CT abdomen — axial view
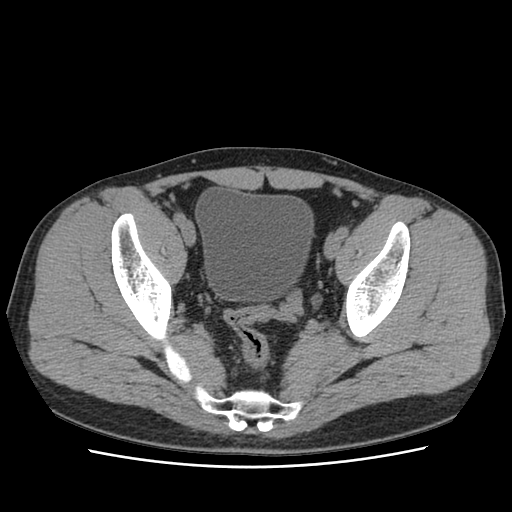 Bounding boxes as [x1, y1, x2, y2] in pixel coordinates.
Organ bounding boxes:
- bladder: [195, 187, 313, 300]